Computed tomography, abdomen. axial view
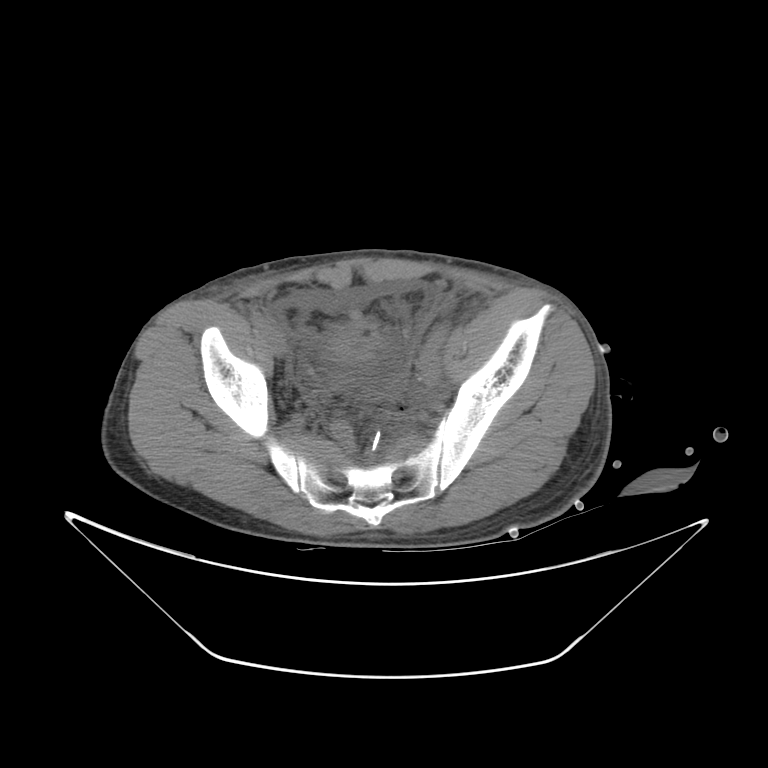 Box edges are left/top/right/bottom in pixels.
bladder: left=331, top=322, right=376, bottom=357